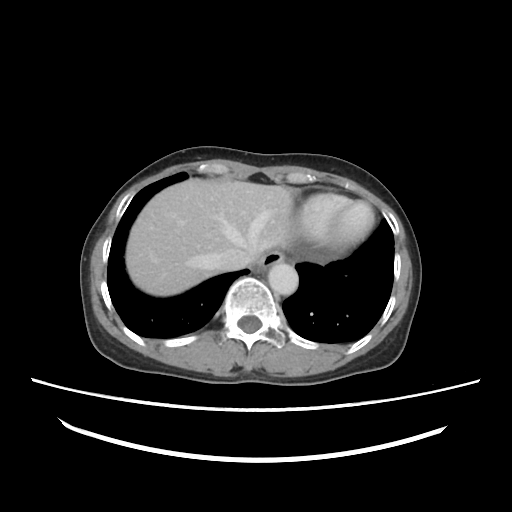

Computed tomography, abdomen — axial plane, index 74 — scan has 15 labeled organs (a whole-scan count: organs this slice does not pass through have no box)
{"organs":{"esophagus":[258,252,286,272],"liver":[124,179,297,297],"aorta":[268,263,298,295],"inferior vena cava":[216,248,248,272]}}